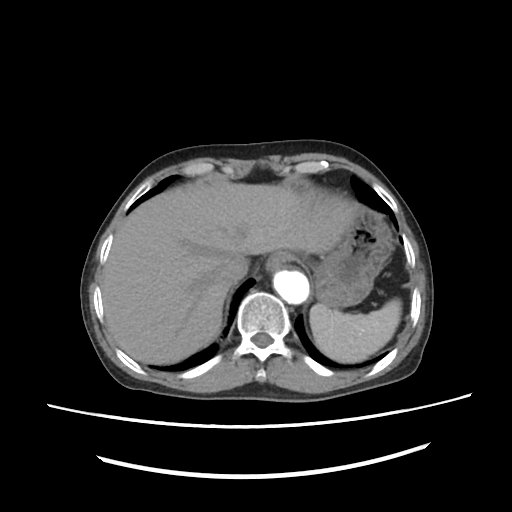 CT abdomen. axial view. W/L 400/40 HU. scan has 15 labeled organs (that count is for the whole scan; organs this slice misses have no box)
Box edges are left/top/right/bottom in pixels.
spleen: left=310, top=300, right=401, bottom=360
esophagus: left=266, top=252, right=294, bottom=274
liver: left=104, top=181, right=357, bottom=364
stomach: left=314, top=209, right=391, bottom=306
aorta: left=274, top=271, right=309, bottom=302
inferior vena cava: left=216, top=257, right=248, bottom=281